Chest-level CT slice, above the liver and spleen. axial view
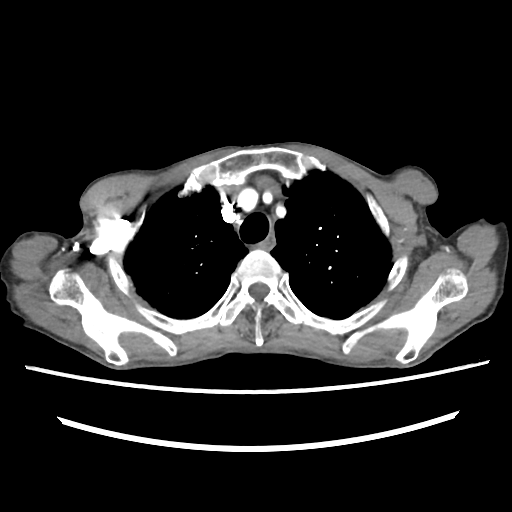

At this level of the chest this dataset labels only the esophagus and the aorta, and each is boxed only where it is labeled; the heart and lungs are never labeled.
Box edges are left/top/right/bottom in pixels.
Organ bounding boxes:
- esophagus: left=260, top=233, right=275, bottom=252